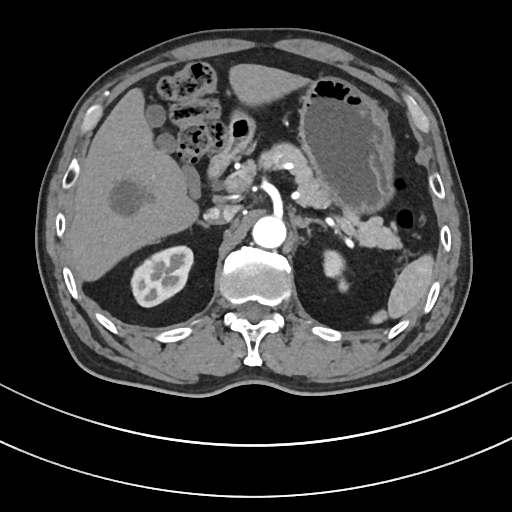

CT, abdomen/pelvis; axial plane, index 148; abdomen soft-tissue window; 512x512 px; SOMATOM Force scanner
One row per box, in pixels: columns x1 and y1 give the top-left corner, x2 and y2 the bottom-right.
| organ | x1 | y1 | x2 | y2 |
|---|---|---|---|---|
| spleen | 370 | 254 | 434 | 324 |
| right kidney | 131 | 246 | 192 | 306 |
| left kidney | 323 | 250 | 348 | 291 |
| gall bladder | 145 | 104 | 199 | 196 |
| liver | 67 | 63 | 308 | 281 |
| stomach | 230 | 77 | 394 | 217 |
| aorta | 252 | 216 | 286 | 248 |
| inferior vena cava | 204 | 206 | 236 | 224 |
| pancreas | 258 | 142 | 401 | 249 |
| right adrenal gland | 201 | 223 | 208 | 227 |
| left adrenal gland | 293 | 216 | 323 | 227 |
| duodenum | 208 | 116 | 254 | 179 |